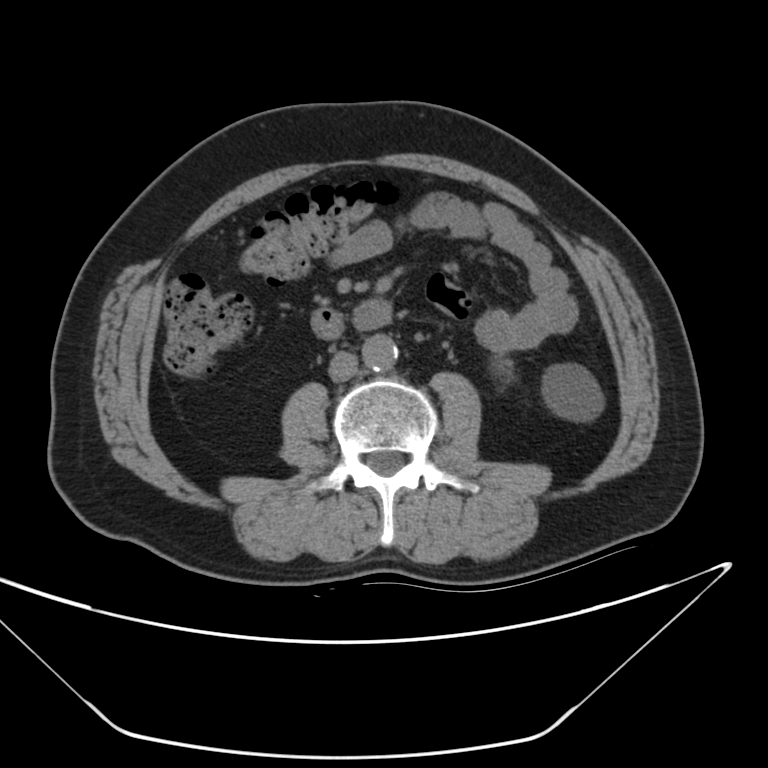

CT, abdomen/pelvis. axial plane, index 53. 768x768 px. 50-year-old male patient
<organs><organ name="left kidney" x1="489" y1="354" x2="602" y2="423"/><organ name="aorta" x1="362" y1="335" x2="399" y2="371"/><organ name="inferior vena cava" x1="328" y1="353" x2="355" y2="382"/><organ name="duodenum" x1="311" y1="298" x2="392" y2="341"/></organs>